CT of the abdomen extending into the chest, slice through the chest · axial view · soft-tissue window · 62-year-old male patient
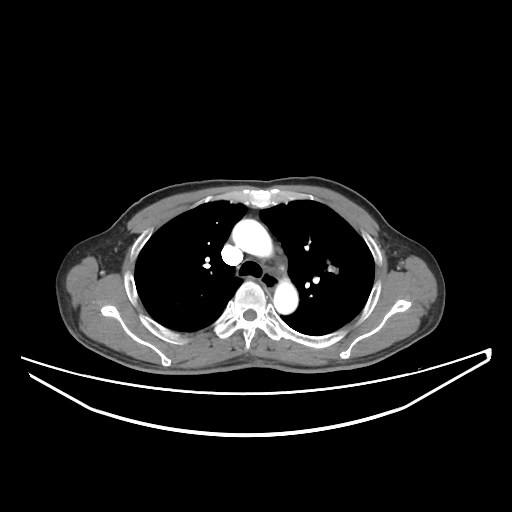
At this level of the chest no structure but the esophagus and the aorta has a label in this dataset, and those two are boxed only where they are labeled.
<organs><organ name="esophagus" x1="258" y1="269" x2="278" y2="289"/><organ name="aorta" x1="232" y1="219" x2="273" y2="257"/><organ name="aorta" x1="273" y1="279" x2="298" y2="314"/></organs>